Abdominal CT — axial plane, index 68 — soft-tissue window (W 400 / L 40) — 512x512 px
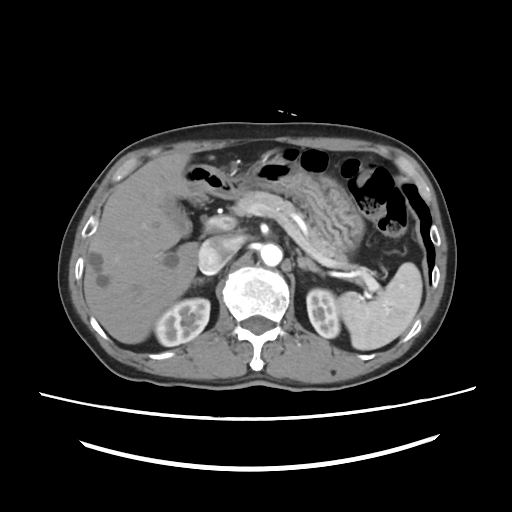

Each box given as x1,y1,x2,y2.
Organ bounding boxes:
- left kidney: x1=306, y1=288, x2=340, y2=338
- left adrenal gland: x1=297, y1=256, x2=323, y2=275
- spleen: x1=337, y1=262, x2=422, y2=350
- aorta: x1=260, y1=243, x2=282, y2=266
- stomach: x1=183, y1=152, x2=364, y2=251
- gall bladder: x1=163, y1=198, x2=191, y2=252
- right kidney: x1=154, y1=298, x2=210, y2=346
- liver: x1=84, y1=153, x2=197, y2=343
- inferior vena cava: x1=198, y1=236, x2=238, y2=274
- pancreas: x1=231, y1=191, x2=348, y2=261
- right adrenal gland: x1=193, y1=278, x2=204, y2=283
- duodenum: x1=189, y1=193, x2=207, y2=202